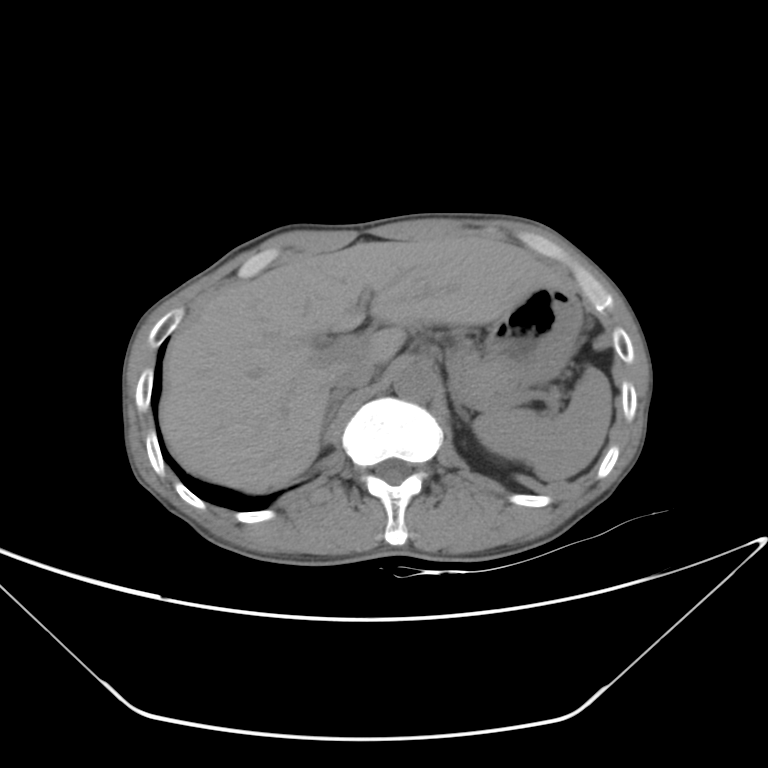 CT, abdomen/pelvis; axial view; soft-tissue window; 768x768 px; 53-year-old male patient
{"organs":{"spleen":[474,366,612,482],"liver":[160,235,568,492],"stomach":[485,288,582,388],"aorta":[392,363,438,402],"inferior vena cava":[329,359,376,391],"pancreas":[449,351,519,402],"right adrenal gland":[320,392,345,436],"left adrenal gland":[452,394,470,422]}}